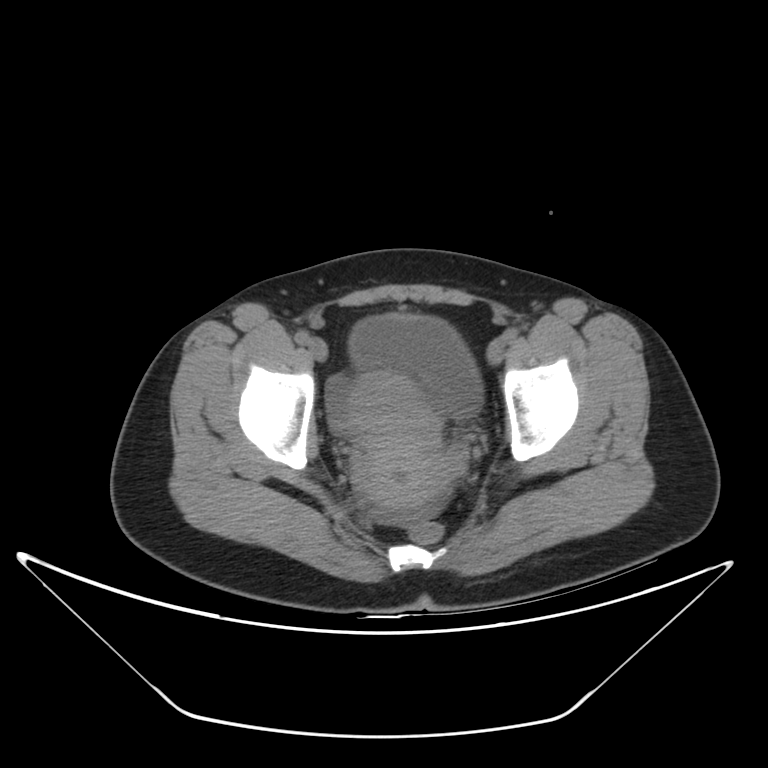

Computed tomography, abdomen. axial view. scan has 15 labeled organs (a whole-scan count: organs this slice does not pass through have no box)
{"organs":{"bladder":[349,314,482,417],"prostate/uterus":[351,372,449,508]}}